Abdominal CT · Axial slice 83/104 · soft-tissue window (W 400 / L 40) · Brilliance16 scanner
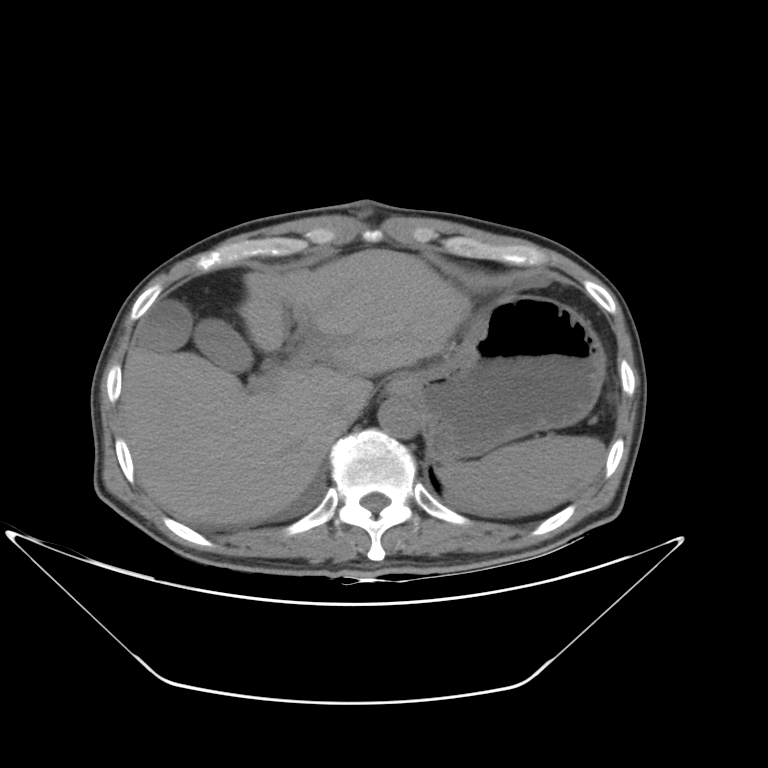

One row per box, in pixels: columns x1 and y1 give the top-left corner, x2 and y2 the bottom-right.
| organ | x1 | y1 | x2 | y2 |
|---|---|---|---|---|
| liver | 122 | 249 | 471 | 525 |
| gall bladder | 135 | 300 | 252 | 372 |
| stomach | 387 | 295 | 606 | 463 |
| aorta | 378 | 398 | 419 | 438 |
| spleen | 437 | 434 | 606 | 515 |
| inferior vena cava | 329 | 397 | 360 | 424 |